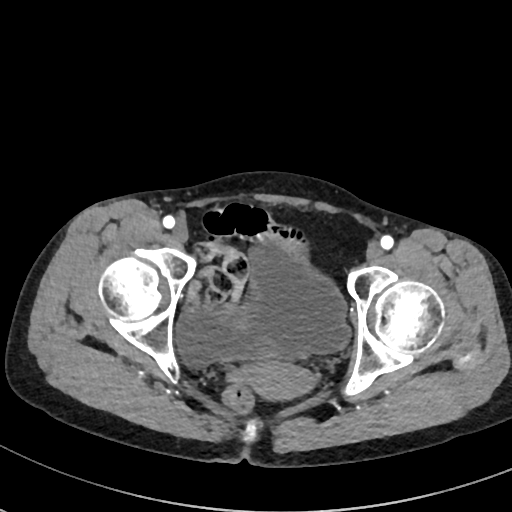

CT, abdomen/pelvis — axial view — abdomen soft-tissue window — 15 organs annotated in this scan (a whole-scan count: organs this slice does not pass through have no box)
Boxes: x1:y1:x2:y2 in pixels.
Organ bounding boxes:
- bladder: 175:250:350:367
- prostate/uterus: 242:333:310:401